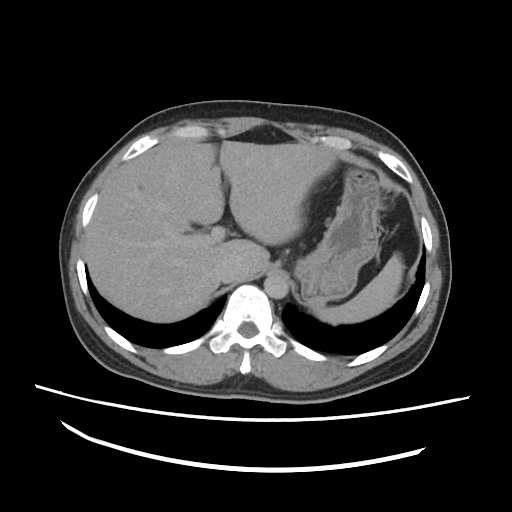 CT abdomen. axial plane, index 81. 512x512 px. 44-year-old male patient
<organs><organ name="spleen" x1="318" y1="254" x2="403" y2="323"/><organ name="liver" x1="84" y1="140" x2="341" y2="322"/><organ name="inferior vena cava" x1="214" y1="259" x2="248" y2="283"/><organ name="aorta" x1="264" y1="275" x2="288" y2="299"/><organ name="stomach" x1="295" y1="166" x2="380" y2="306"/></organs>